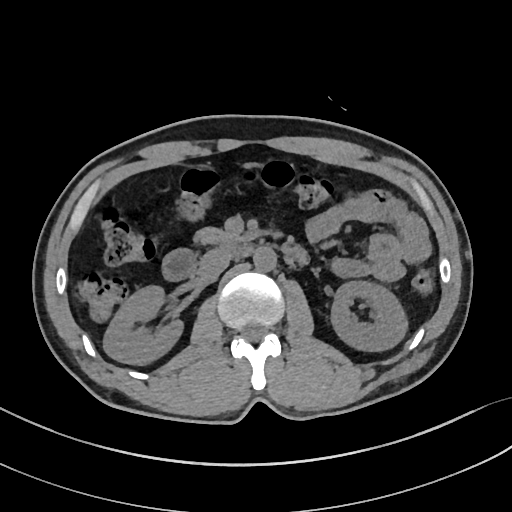 Abdominal CT — axial plane, index 151 — 512x512 px
Organ boxes in pixel coordinates; each row gives the top-left (x1, y1) and bottom-right (x2, y2) corners.
| organ | x1 | y1 | x2 | y2 |
|---|---|---|---|---|
| right kidney | 103 | 286 | 183 | 364 |
| left kidney | 330 | 280 | 407 | 351 |
| aorta | 253 | 246 | 276 | 271 |
| inferior vena cava | 198 | 248 | 231 | 279 |
| pancreas | 194 | 227 | 247 | 244 |
| duodenum | 162 | 240 | 307 | 280 |